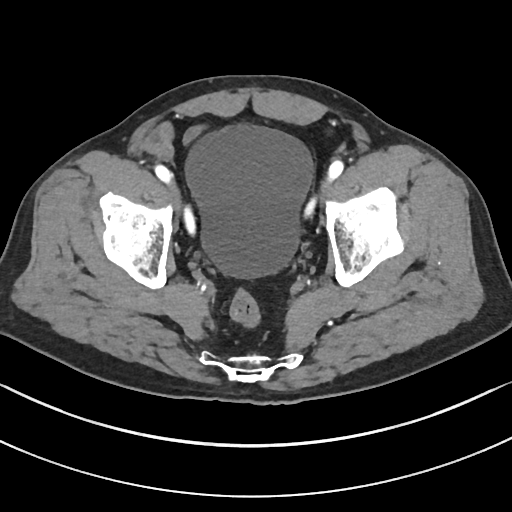

CT, abdomen/pelvis · axial view · 15 organs annotated in this scan (counted over the whole 3D scan, not this slice; an organ is boxed only where this slice passes through it)
Box edges are left/top/right/bottom in pixels.
Organ bounding boxes:
- bladder: left=185, top=125, right=313, bottom=277